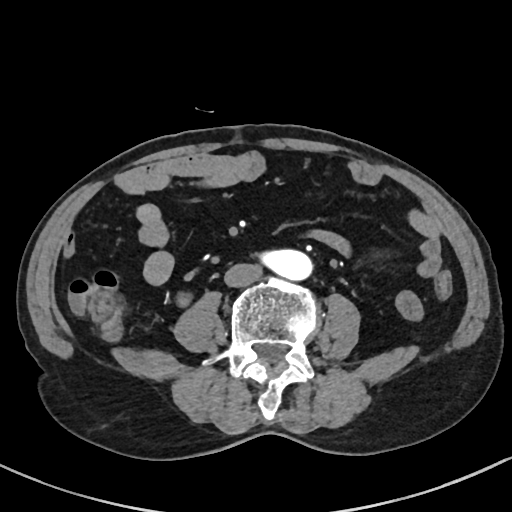 Abdominal CT — axial view
Organ boxes in pixel coordinates; each row gives the top-left (x1, y1) and bottom-right (x2, y2) corners.
| organ | x1 | y1 | x2 | y2 |
|---|---|---|---|---|
| aorta | 259 | 250 | 314 | 280 |
| inferior vena cava | 224 | 264 | 261 | 287 |